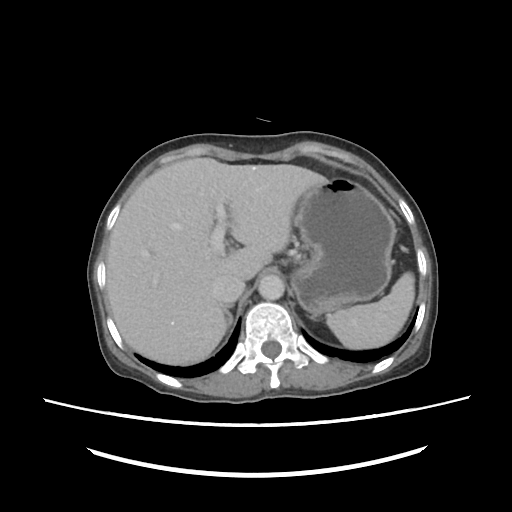 CT abdomen. axial view. abdomen soft-tissue window. acquired on Aquilion ONE
<organs><organ name="spleen" x1="326" y1="273" x2="415" y2="348"/><organ name="liver" x1="107" y1="158" x2="327" y2="364"/><organ name="stomach" x1="291" y1="177" x2="396" y2="318"/><organ name="aorta" x1="258" y1="275" x2="284" y2="300"/><organ name="inferior vena cava" x1="212" y1="273" x2="244" y2="302"/><organ name="right adrenal gland" x1="220" y1="304" x2="234" y2="331"/></organs>